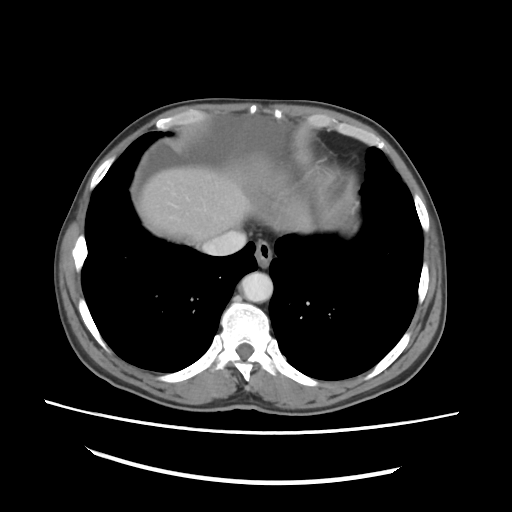
CT, abdomen/pelvis. axial view
<organs><organ name="stomach" x1="321" y1="209" x2="337" y2="223"/><organ name="inferior vena cava" x1="202" y1="230" x2="246" y2="255"/><organ name="aorta" x1="241" y1="272" x2="273" y2="302"/><organ name="liver" x1="138" y1="165" x2="251" y2="245"/><organ name="esophagus" x1="254" y1="241" x2="272" y2="266"/></organs>